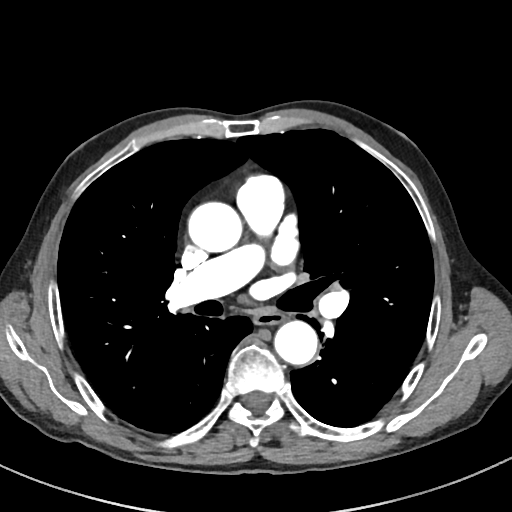 Chest-level slice from an abdominal CT that extends up into the chest; axial view; 512x512 px; SOMATOM Force scanner
At this level of the chest no structure but the esophagus and the aorta has a label in this dataset, and those two are boxed only where they are labeled.
Boxes are (x1, y1, x2, y2) in pixels.
Organ bounding boxes:
- esophagus: (254, 312, 284, 325)
- aorta: (187, 201, 240, 252)
- aorta: (274, 321, 317, 365)